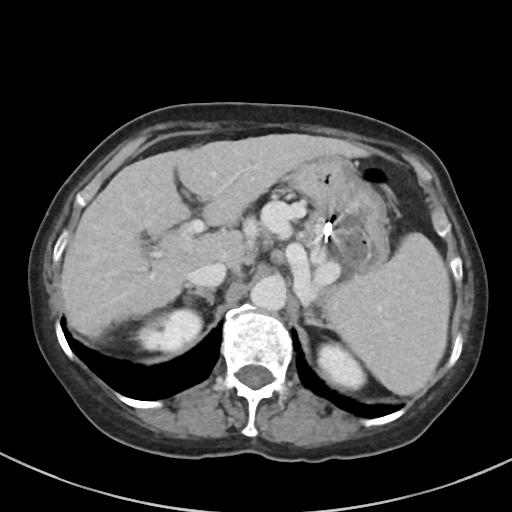
Abdominal CT; axial view; scan has 15 labeled organs (a whole-scan count: organs this slice does not pass through have no box)
<organs><organ name="stomach" x1="288" y1="156" x2="389" y2="278"/><organ name="liver" x1="60" y1="133" x2="368" y2="339"/><organ name="right kidney" x1="137" y1="308" x2="202" y2="352"/><organ name="left adrenal gland" x1="305" y1="308" x2="332" y2="329"/><organ name="inferior vena cava" x1="188" y1="262" x2="226" y2="288"/><organ name="left kidney" x1="318" y1="343" x2="365" y2="388"/><organ name="aorta" x1="250" y1="274" x2="286" y2="311"/><organ name="right adrenal gland" x1="187" y1="288" x2="214" y2="305"/><organ name="spleen" x1="324" y1="233" x2="450" y2="395"/></organs>